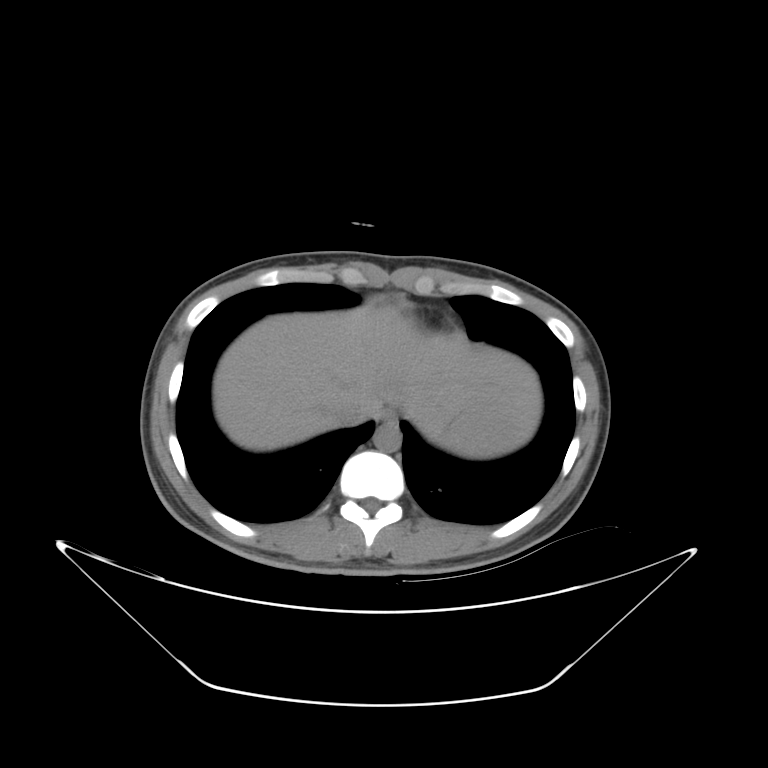 Computed tomography, abdomen. axial plane, index 90. soft-tissue window. 16-year-old male patient. Brilliance16 scanner
Bounding boxes in pixels, one row per box: x1, y1 is the top-left corner and x2, y2 the bottom-right.
| organ | x1 | y1 | x2 | y2 |
|---|---|---|---|---|
| esophagus | 380 | 409 | 398 | 424 |
| spleen | 431 | 401 | 514 | 458 |
| liver | 211 | 302 | 541 | 452 |
| inferior vena cava | 335 | 402 | 368 | 426 |
| aorta | 373 | 424 | 402 | 452 |